Chest-level slice from an abdominal CT that extends up into the chest · axial view · soft-tissue window · 512x512 px · Aquilion ONE scanner
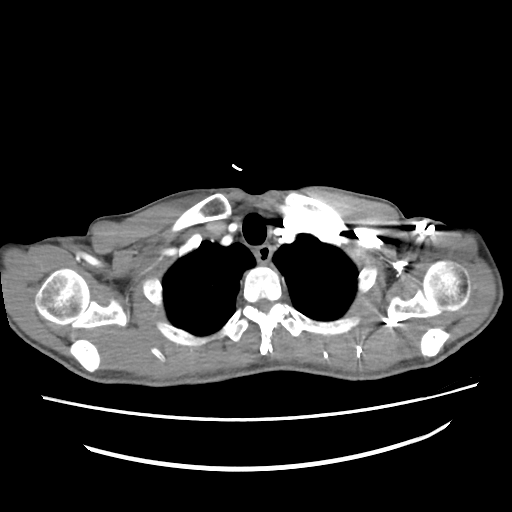 On a slice this high in the chest, this dataset labels only the esophagus and the aorta, and each is boxed only where it is labeled; the heart, lungs and other chest structures are not labeled.
Boxes: x1 y1 x2 y2 (pixel coords, space-separated).
esophagus: 255 246 270 263